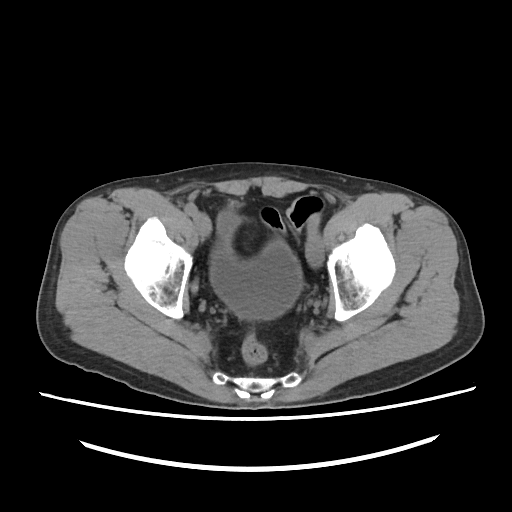
Computed tomography, abdomen. Axial slice 23/87. soft-tissue window. 55-year-old male patient. 15 organs annotated in this scan (counted over the whole 3D scan, not this slice; an organ is boxed only where this slice passes through it)
Boxes: x1 y1 x2 y2 (pixel coords, space-separated).
bladder: 212 212 301 317